CT, abdomen/pelvis — Axial slice 131/298 — 15 organs annotated in this scan (that count is for the whole scan; organs this slice misses have no box)
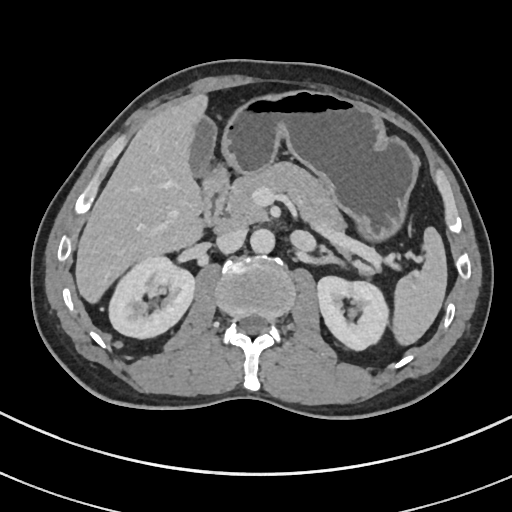
Boxes: x1 y1 x2 y2 (pixel coords, space-separated). The annotated organs in this slice are: spleen at 393 227 447 346, right kidney at 110 257 194 339, left kidney at 317 276 388 350, gall bladder at 191 117 215 178, liver at 74 93 209 305, stomach at 202 90 418 240, aorta at 250 229 275 254, inferior vena cava at 217 228 246 252, pancreas at 225 162 354 257, duodenum at 202 188 228 230.